Abdominal CT reaching into the chest; this slice is in the chest; axial view; soft-tissue window (W 400 / L 40); scan has 15 labeled organs (counted over the whole 3D scan, not this slice; an organ is boxed only where this slice passes through it)
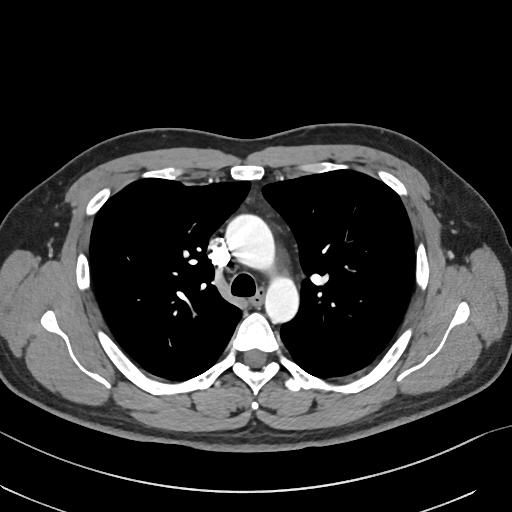
On a slice this high in the chest, this dataset labels only the esophagus and the aorta, and each is boxed only where it is labeled; the heart, lungs and other chest structures are not labeled.
{"organs":{"esophagus":[250,287,264,305],"aorta":[225,214,298,323]}}